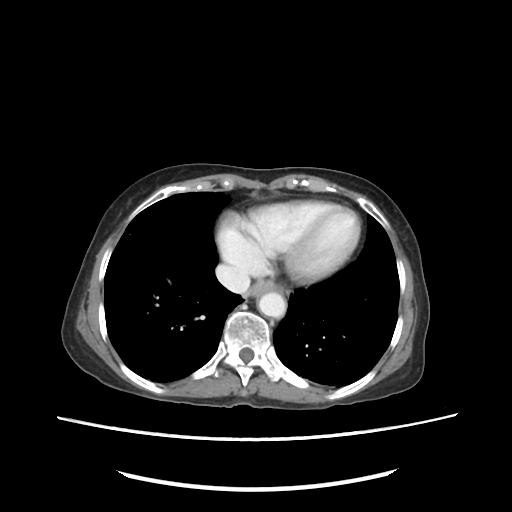

Lower-chest slice from an abdominal CT, just above the liver and spleen · Axial slice 84/124 · 512x512 px · acquired on Aquilion ONE · 15 organs annotated in this scan (that count is for the whole scan; organs this slice misses have no box)
No part of the heart or lungs is labeled in this dataset, so neither has a box here.
Box edges are left/top/right/bottom in pixels.
esophagus: left=245, top=282, right=273, bottom=299
aorta: left=257, top=292, right=286, bottom=318
inferior vena cava: left=216, top=263, right=250, bottom=293